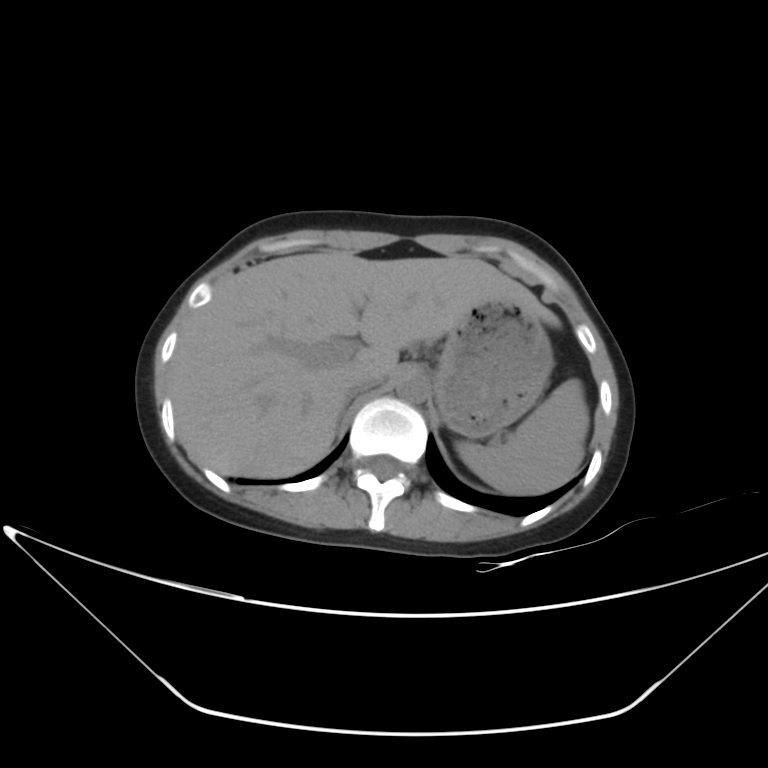

CT abdomen; axial view; abdomen soft-tissue window; 768x768 px; 28-year-old female patient
{"organs":{"spleen":[457,379,588,494],"liver":[171,250,559,478],"stomach":[435,302,553,437],"aorta":[395,374,428,402],"inferior vena cava":[345,377,376,399]}}